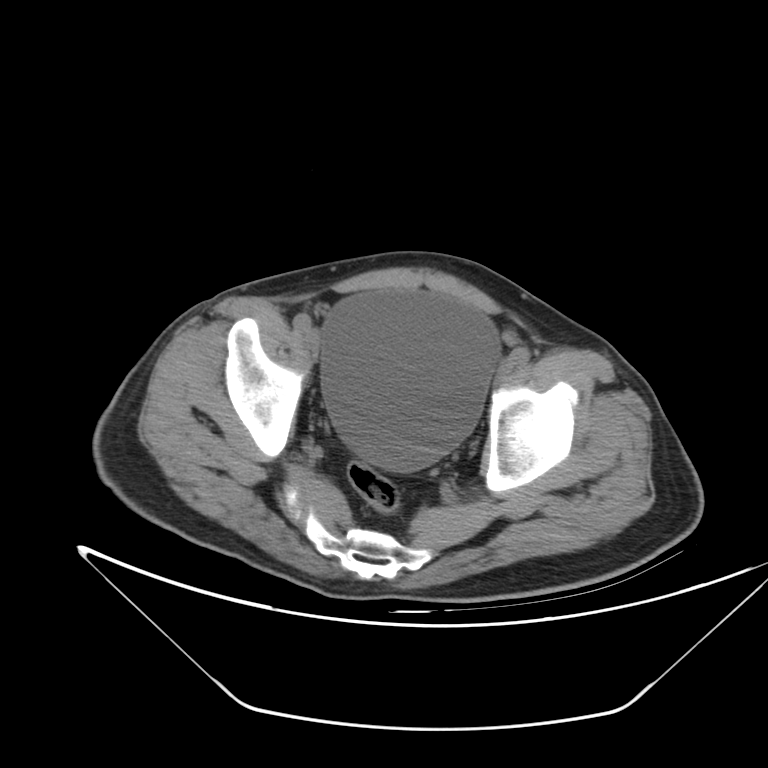
CT, abdomen/pelvis · Axial slice 28/107 · soft-tissue window · 47-year-old male patient · acquired on Brilliance16
One row per box, in pixels: columns x1 and y1 give the top-left corner, x2 and y2 the bottom-right.
| organ | x1 | y1 | x2 | y2 |
|---|---|---|---|---|
| bladder | 322 | 288 | 499 | 471 |